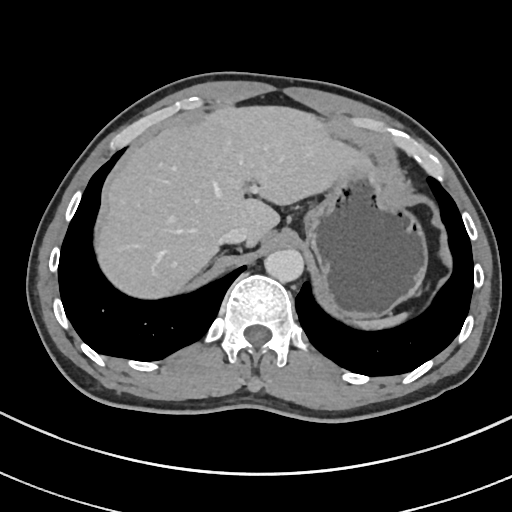 CT abdomen — axial plane, index 156 — abdomen soft-tissue window — SOMATOM Force scanner
One row per box, in pixels: columns x1 and y1 give the top-left corner, x2 and y2 the bottom-right.
| organ | x1 | y1 | x2 | y2 |
|---|---|---|---|---|
| spleen | 357 | 313 | 406 | 328 |
| liver | 97 | 106 | 363 | 298 |
| stomach | 303 | 154 | 427 | 319 |
| aorta | 264 | 249 | 303 | 282 |
| inferior vena cava | 219 | 227 | 248 | 243 |